Computed tomography, abdomen · Axial slice 162/353 · 512x512 px
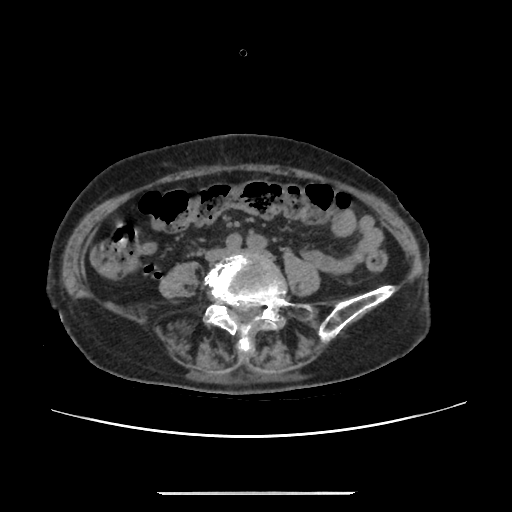
Boxes are (x1, y1, x2, y2) in pixels.
Organ bounding boxes:
- inferior vena cava: (207, 249, 225, 258)